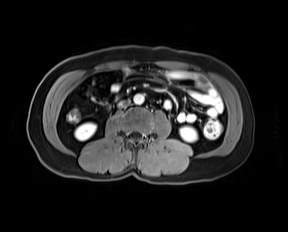 Abdominal MR · axial plane, index 2 · percentile-normalized · scan has 13 labeled organs (a whole-scan count: organs this slice does not pass through have no box)
{"organs":{"right kidney":[75,123,95,140],"left kidney":[180,127,197,141],"aorta":[133,94,144,104],"inferior vena cava":[117,100,129,107]}}